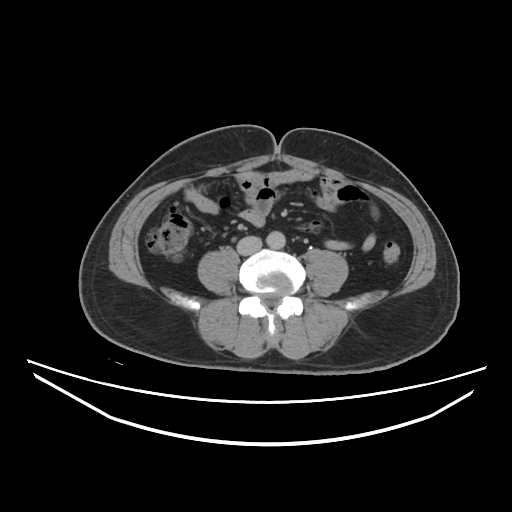 Abdominal CT — axial view — 512x512 px
Boxes are (x1, y1, x2, y2) in pixels. The annotated organs in this slice are: left kidney at (274, 247, 281, 249), aorta at (267, 231, 286, 248), inferior vena cava at (237, 236, 262, 255).